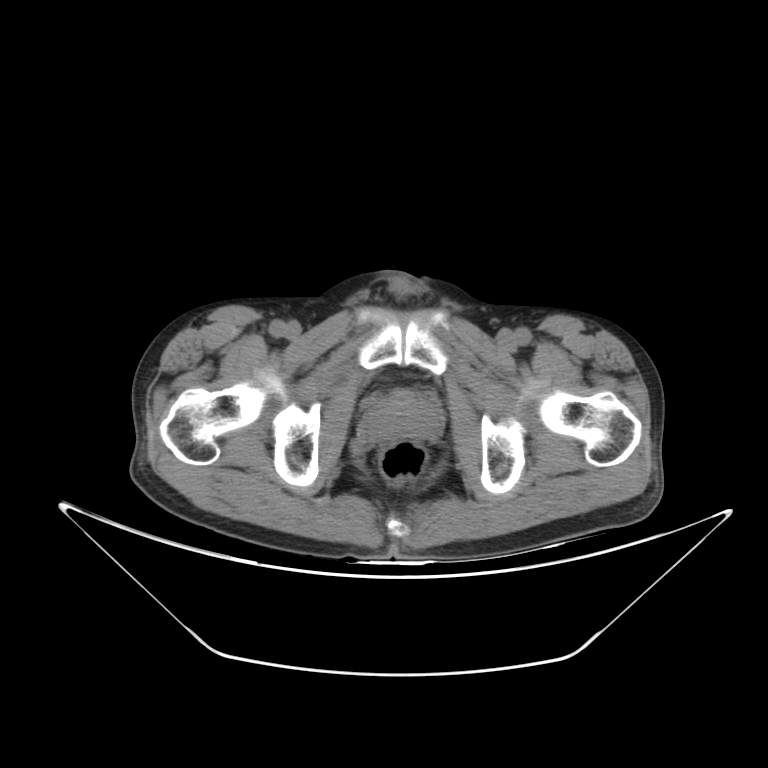 CT, abdomen/pelvis — Axial slice 13/100 — abdomen soft-tissue window — 768x768 px
<organs><organ name="prostate/uterus" x1="367" y1="392" x2="438" y2="440"/></organs>